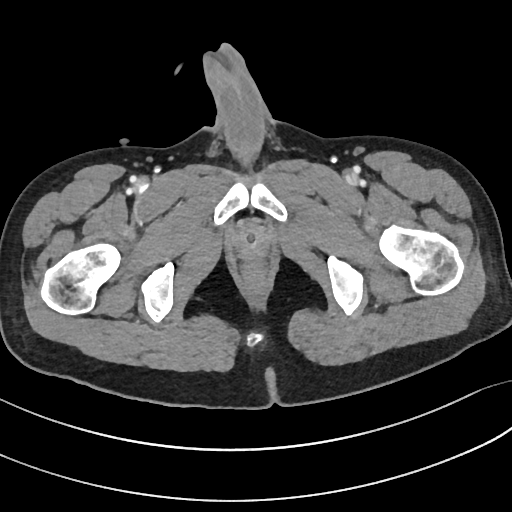
Computed tomography, abdomen · axial view · W/L 400/40 HU · 15 organs annotated in this scan (a whole-scan count: organs this slice does not pass through have no box)
<organs><organ name="prostate/uterus" x1="237" y1="227" x2="265" y2="255"/></organs>